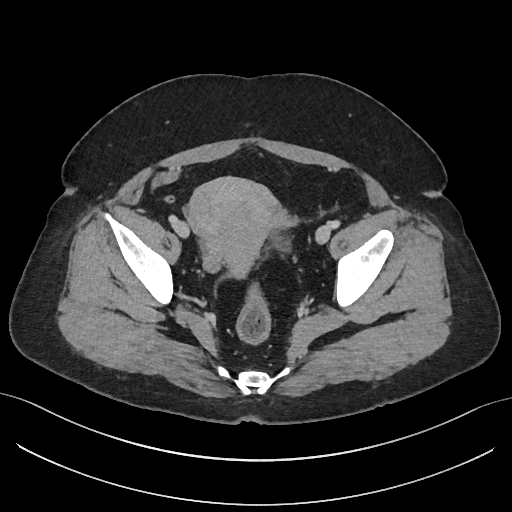 CT abdomen · axial plane, index 50 · soft-tissue window (W 400 / L 40) · scan has 15 labeled organs (that count is for the whole scan; organs this slice misses have no box)
<organs><organ name="prostate/uterus" x1="185" y1="177" x2="278" y2="274"/></organs>